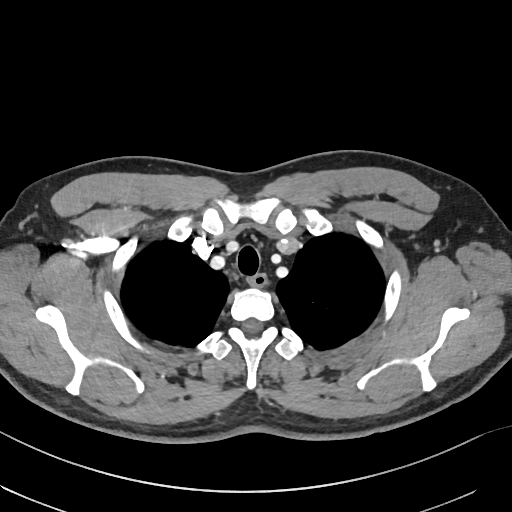
Chest-level CT slice, above the liver and spleen; Axial slice 290/307; W/L 400/40 HU
At this level of the chest no structure but the esophagus and the aorta has a label in this dataset, and those two are boxed only where they are labeled.
{"organs":{"esophagus":[249,274,267,287]}}